Computed tomography, abdomen — axial view — 15 organs annotated in this scan (that count is for the whole scan; organs this slice misses have no box)
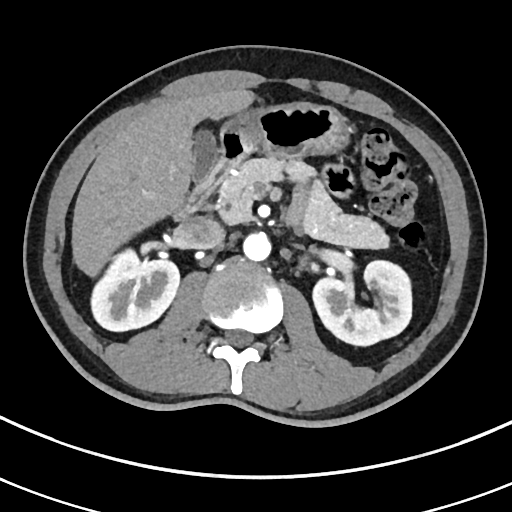 Boxes: x1:y1:x2:y2 in pixels.
duodenum: 171:128:254:220
inferior vena cava: 181:216:225:249
left kidney: 312:260:411:345
aorta: 243:232:270:261
liver: 71:88:255:276
stomach: 220:102:349:160
pancreas: 219:157:388:248
gall bladder: 192:128:218:180
right kidney: 91:248:179:331